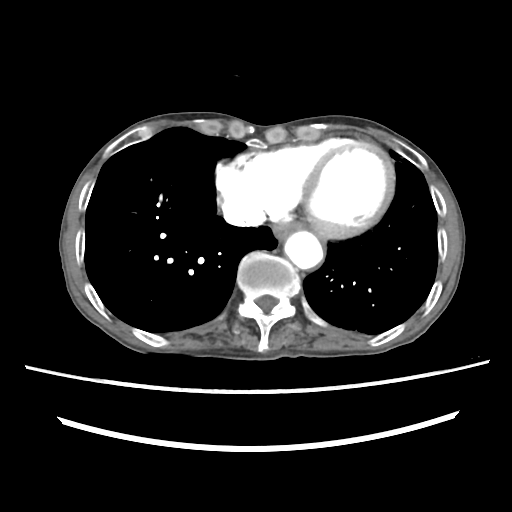
Abdominal CT; this slice is in the lower chest, just above the liver; axial view; soft-tissue window (W 400 / L 40)
Of the structures in the chest, this dataset labels only the esophagus, the aorta and the inferior vena cava; the heart and lungs have no label.
{"organs":{"esophagus":[273,223,298,240],"aorta":[284,231,323,268],"inferior vena cava":[228,207,265,225]}}